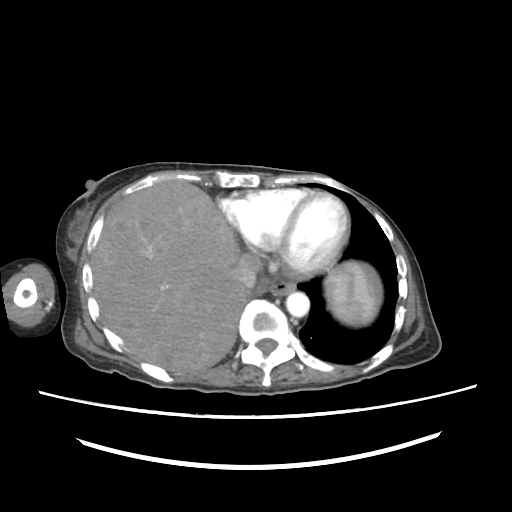

Abdominal CT — Axial slice 79/111 — 48-year-old female patient
Bounding boxes in pixels, one row per box: x1, y1 is the top-left corner and x2, y2 the bottom-right.
| organ | x1 | y1 | x2 | y2 |
|---|---|---|---|---|
| spleen | 326 | 262 | 375 | 325 |
| esophagus | 264 | 281 | 296 | 295 |
| liver | 91 | 182 | 379 | 373 |
| aorta | 285 | 292 | 309 | 317 |
| inferior vena cava | 233 | 254 | 261 | 291 |